Abdominal CT — Axial slice 17/112 — W/L 400/40 HU — Aquilion ONE scanner — 15 organs annotated in this scan (counted over the whole 3D scan, not this slice; an organ is boxed only where this slice passes through it)
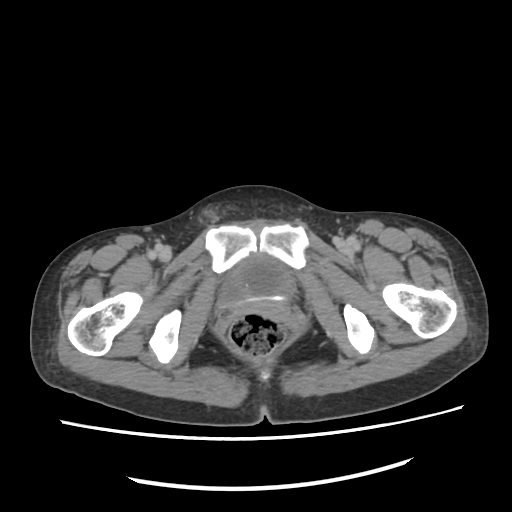
One row per box, in pixels: columns x1 and y1 give the top-left corner, x2 and y2 the bottom-right.
| organ | x1 | y1 | x2 | y2 |
|---|---|---|---|---|
| bladder | 217 | 257 | 295 | 311 |